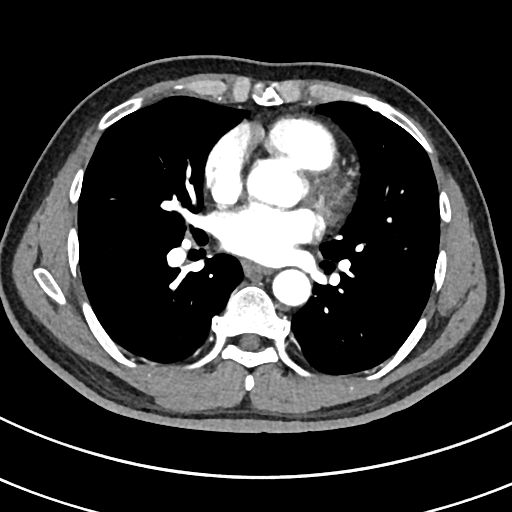

Chest-level slice from an abdominal CT that extends up into the chest · axial plane, index 222 · soft-tissue window · SOMATOM Force scanner
At this level of the chest this dataset labels only the esophagus and the aorta, and each is boxed only where it is labeled; the heart and lungs are never labeled.
Each box given as x1,y1,x2,y2.
Organ bounding boxes:
- esophagus: x1=243, y1=262, x2=269, y2=275
- aorta: x1=273, y1=269, x2=311, y2=306
- aorta: x1=278, y1=163, x2=291, y2=179